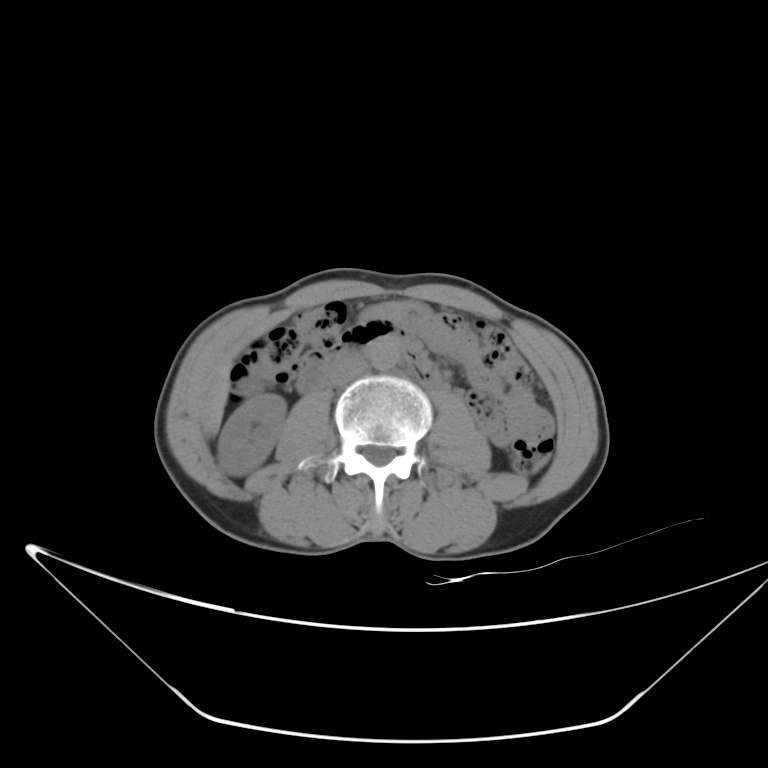

CT, abdomen/pelvis; axial view
Boxes: x1 y1 x2 y2 (pixel coords, space-separated). Labeled organs on this slice: right kidney at 218 393 286 474, gall bladder at 240 380 260 396, liver at 206 365 228 431, aorta at 369 341 400 369, inferior vena cava at 329 359 368 385, duodenum at 297 332 441 394.